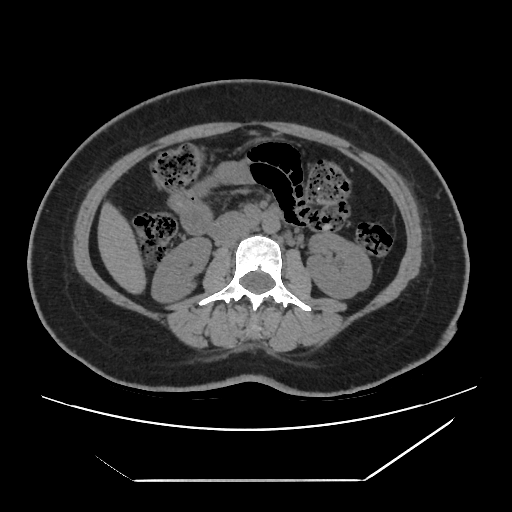
Abdominal CT — axial view — 512x512 px — SOMATOM Force scanner — 15 organs annotated in this scan (a whole-scan count: organs this slice does not pass through have no box)
{"organs":{"inferior vena cava":[218,227,251,246],"aorta":[262,216,280,233],"liver":[98,202,146,294],"left kidney":[307,232,372,298],"duodenum":[208,208,280,241],"right kidney":[151,237,210,302]}}